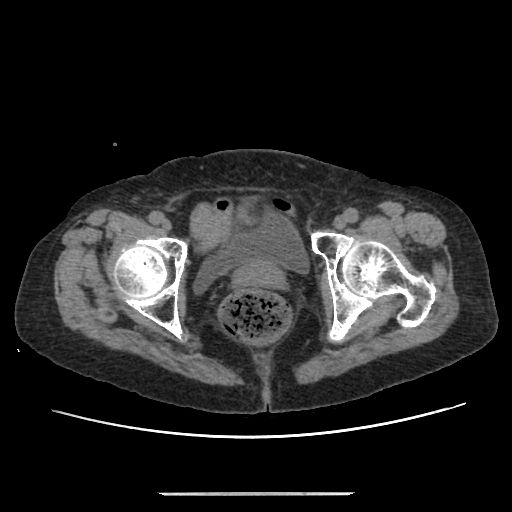 CT abdomen · Axial slice 54/353
{"organs":{"bladder":[195,215,309,291],"prostate/uterus":[232,258,285,289]}}